Abdominal CT; Axial slice 117/279; soft-tissue window; scan has 15 labeled organs (counted over the whole 3D scan, not this slice; an organ is boxed only where this slice passes through it)
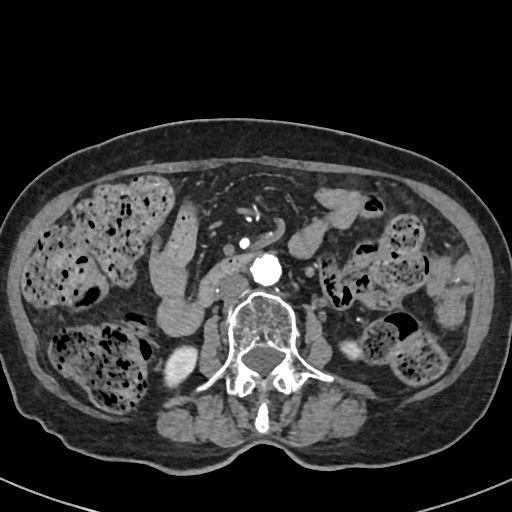
{"organs":{"duodenum":[201,255,253,301],"right kidney":[164,346,197,385],"inferior vena cava":[216,274,248,300],"left kidney":[340,341,360,356],"aorta":[251,253,281,284]}}